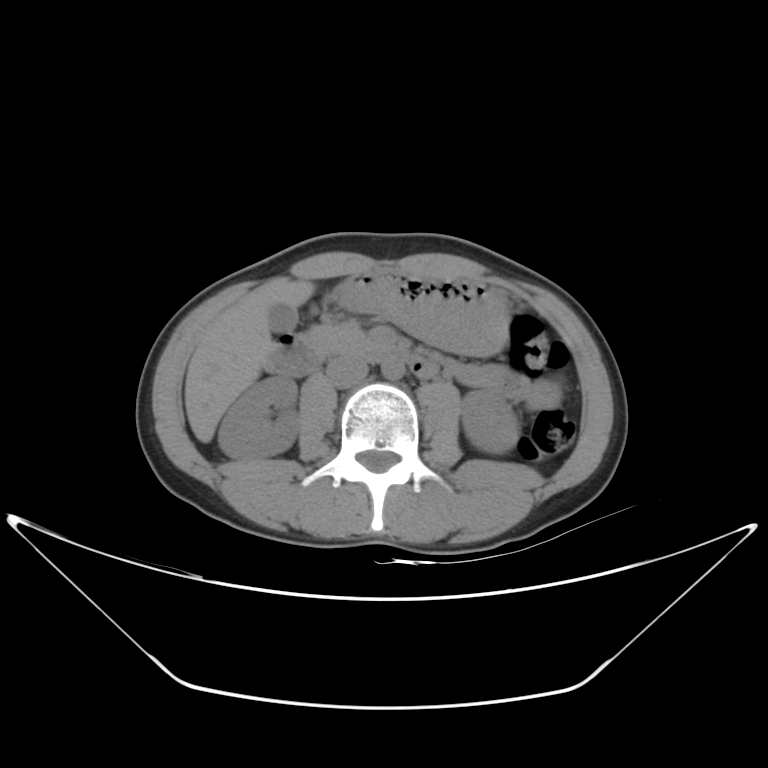 Computed tomography, abdomen. axial view
Boxes: x1:y1:x2:y2 in pixels.
right kidney: 218:376:299:460
left kidney: 461:390:519:453
gall bladder: 269:302:297:332
liver: 184:279:314:442
stomach: 317:269:510:355
aorta: 381:357:404:380
inferior vena cava: 326:356:368:387
pancreas: 301:324:377:355
duodenum: 263:335:439:379